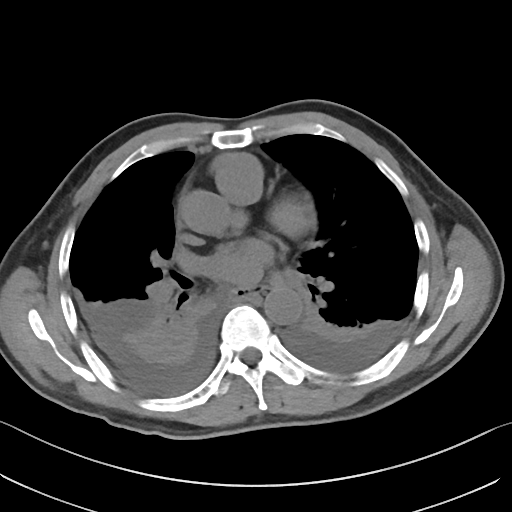

CT of the abdomen reaching into the lower chest, slice just above the liver and spleen; Axial slice 98/100
Of the structures in the chest, this dataset labels only the esophagus, the aorta and the inferior vena cava; the heart and lungs have no label.
Bounding boxes in pixels, one row per box: x1, y1 is the top-left corner and x2, y2 the bottom-right.
| organ | x1 | y1 | x2 | y2 |
|---|---|---|---|---|
| esophagus | 228 | 293 | 254 | 300 |
| aorta | 264 | 287 | 302 | 324 |